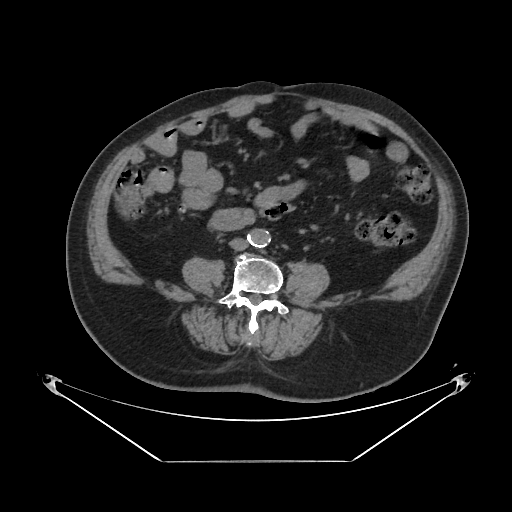

CT abdomen · Axial slice 156/353
Box edges are left/top/right/bottom in pixels.
Organ bounding boxes:
- aorta: left=247, top=229, right=270, bottom=247
- inferior vena cava: left=229, top=238, right=248, bottom=250